Abdominal CT. axial view. abdomen soft-tissue window
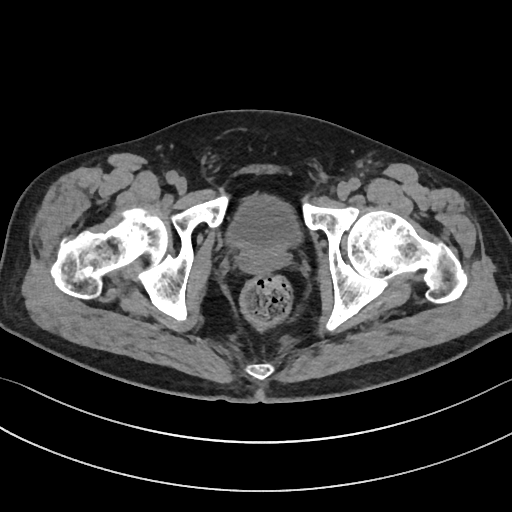
Bounding boxes as [x1, y1, x2, y2] in pixel coordinates.
prostate/uterus: [239, 248, 286, 273]
bladder: [225, 195, 299, 250]